Computed tomography, abdomen; axial view; abdomen soft-tissue window; scan has 15 labeled organs (a whole-scan count: organs this slice does not pass through have no box)
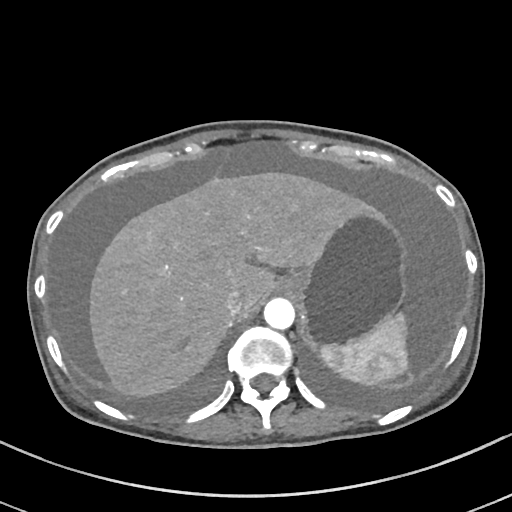

Boxes are (x1, y1, x2, y2) in pixels.
Organ bounding boxes:
- spleen: (321, 313, 408, 385)
- liver: (89, 172, 369, 397)
- stomach: (281, 210, 403, 348)
- aorta: (264, 298, 295, 329)
- inferior vena cava: (225, 288, 246, 317)